Abdominal CT — axial plane, index 68 — soft-tissue window — 512x512 px
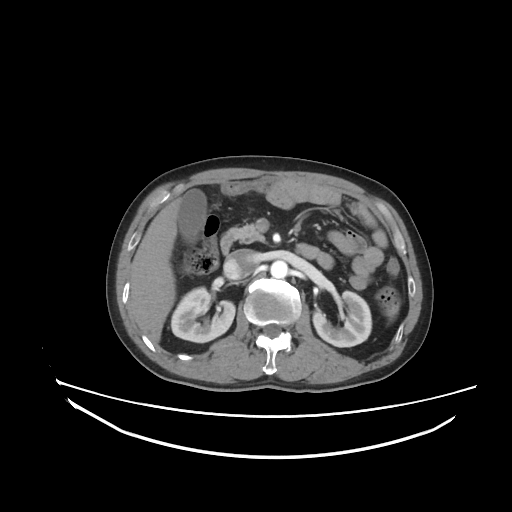

<organs><organ name="spleen" x1="385" y1="303" x2="398" y2="318"/><organ name="right kidney" x1="171" y1="287" x2="235" y2="342"/><organ name="left kidney" x1="313" y1="291" x2="371" y2="346"/><organ name="gall bladder" x1="177" y1="189" x2="206" y2="242"/><organ name="liver" x1="129" y1="197" x2="181" y2="343"/><organ name="aorta" x1="270" y1="260" x2="288" y2="278"/><organ name="inferior vena cava" x1="224" y1="249" x2="257" y2="279"/><organ name="pancreas" x1="232" y1="224" x2="265" y2="243"/><organ name="duodenum" x1="220" y1="229" x2="318" y2="258"/></organs>